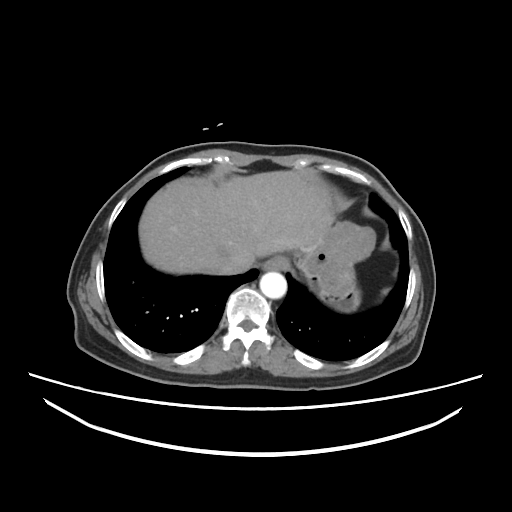
CT abdomen · axial view
{"organs":{"stomach":[294,196,375,314],"liver":[138,171,334,274],"aorta":[260,271,287,298],"inferior vena cava":[213,255,243,274],"esophagus":[264,255,287,270]}}